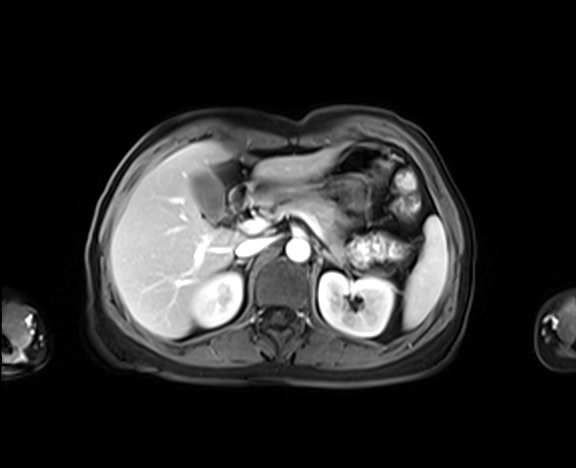 Abdominal MR. axial view. 13 organs annotated in this scan (that count is for the whole scan; organs this slice misses have no box)
Bounding boxes in pixels, one row per box: x1, y1 is the top-left corner and x2, y2 the bottom-right.
| organ | x1 | y1 | x2 | y2 |
|---|---|---|---|---|
| spleen | 403 | 216 | 447 | 328 |
| right kidney | 190 | 271 | 242 | 327 |
| left kidney | 319 | 272 | 394 | 337 |
| gall bladder | 190 | 170 | 223 | 218 |
| liver | 110 | 141 | 340 | 337 |
| stomach | 257 | 142 | 390 | 199 |
| aorta | 286 | 239 | 310 | 262 |
| inferior vena cava | 234 | 237 | 271 | 258 |
| pancreas | 264 | 196 | 343 | 258 |
| right adrenal gland | 234 | 261 | 242 | 264 |
| left adrenal gland | 320 | 251 | 340 | 264 |
| duodenum | 230 | 183 | 265 | 211 |